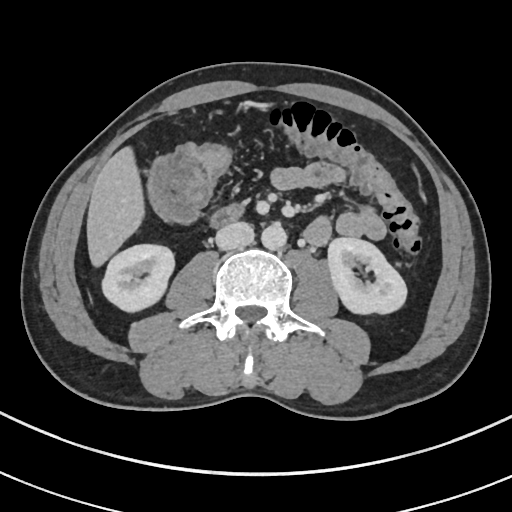
Abdominal CT. axial view
Boxes are (x1, y1, x2, y2) in pixels.
right kidney: (102, 245, 172, 309)
left kidney: (328, 237, 406, 315)
liver: (86, 147, 142, 265)
aorta: (261, 222, 286, 250)
inferior vena cava: (215, 221, 254, 249)
duodenum: (211, 205, 243, 226)